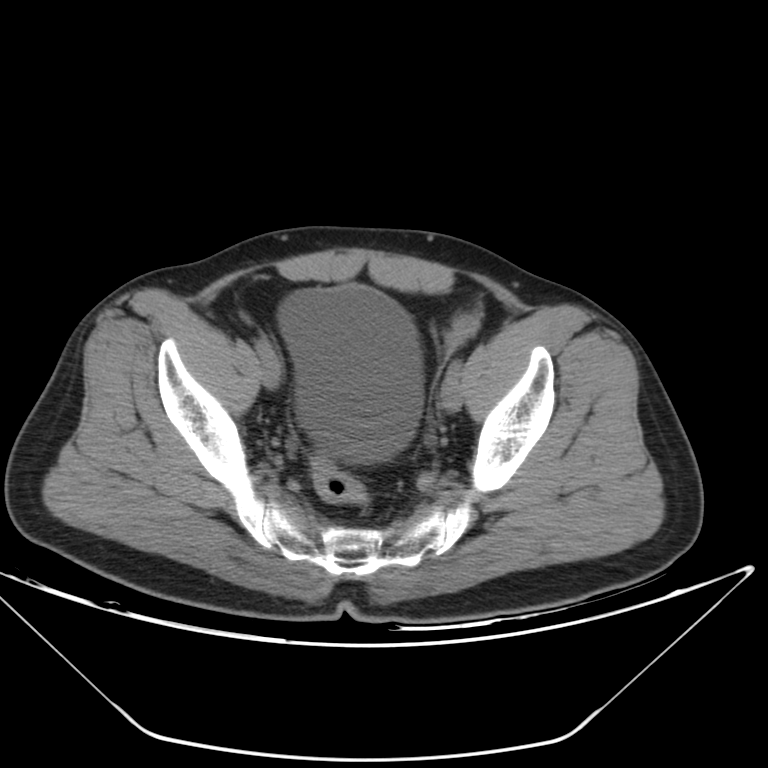

Computed tomography, abdomen; axial plane, index 24; soft-tissue window; scan has 15 labeled organs (counted over the whole 3D scan, not this slice; an organ is boxed only where this slice passes through it)
One row per box, in pixels: columns x1 and y1 give the top-left corner, x2 and y2 the bottom-right.
| organ | x1 | y1 | x2 | y2 |
|---|---|---|---|---|
| bladder | 278 | 284 | 422 | 462 |